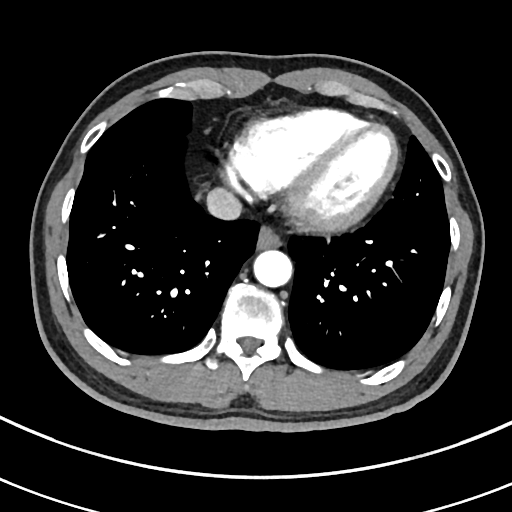 CT of the abdomen reaching into the lower chest, slice just above the liver and spleen. axial view. soft-tissue window, W/L 400/40. 512x512 px. 15 organs annotated in this scan (counted over the whole 3D scan, not this slice; an organ is boxed only where this slice passes through it)
No part of the heart or lungs is labeled in this dataset, so neither has a box here. Boxes are (x1, y1, x2, y2) in pixels. The annotated organs in this slice are: esophagus at (256, 225, 280, 249), aorta at (253, 249, 292, 287), inferior vena cava at (206, 188, 242, 220).